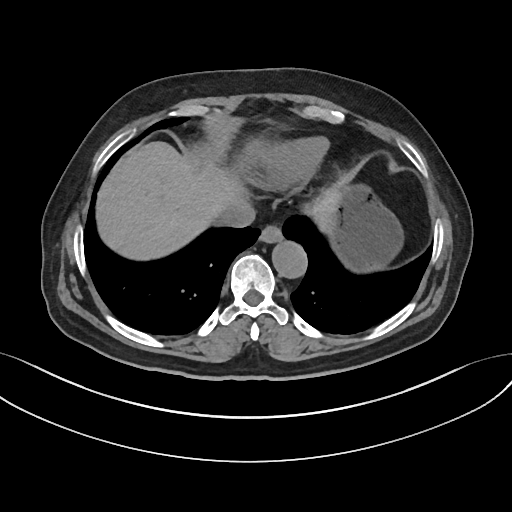

Abdominal CT. axial view. 512x512 px
Boxes are (x1, y1, x2, y2) in pixels. The annotated organs in this slice are: esophagus at (259, 225, 282, 242), liver at (96, 141, 338, 260), stomach at (323, 184, 403, 271), aorta at (272, 241, 307, 278), inferior vena cava at (216, 203, 255, 227).